Abdominal CT; axial plane, index 5; soft-tissue window; 768x768 px; 32-year-old female patient; Brilliance16 scanner
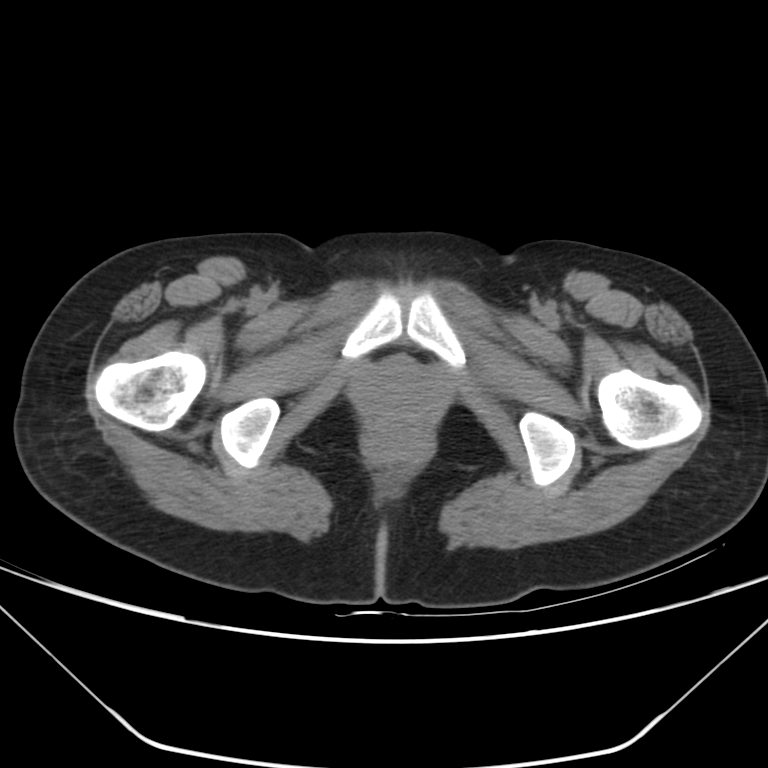

Each box given as x1,y1,x2,y2.
Organ bounding boxes:
- bladder: x1=384, y1=355, x2=415, y2=365